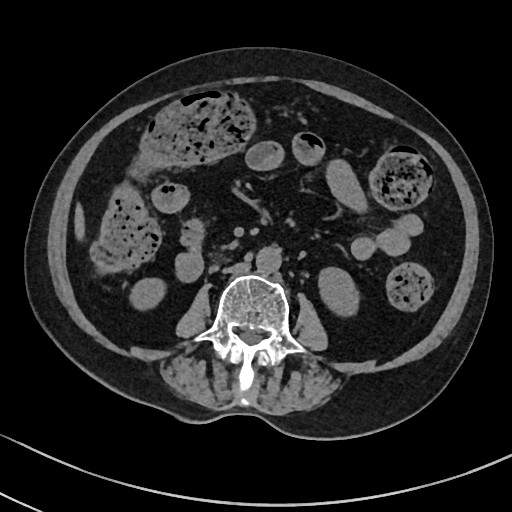 Computed tomography, abdomen; Axial slice 117/202
Bounding boxes as [x1, y1, x2, y2] in pixel coordinates.
Organ bounding boxes:
- liver: [75, 203, 84, 237]
- aorta: [256, 246, 281, 273]
- right kidney: [133, 279, 162, 307]
- left kidney: [319, 268, 357, 315]
- inferior vena cava: [222, 261, 250, 273]